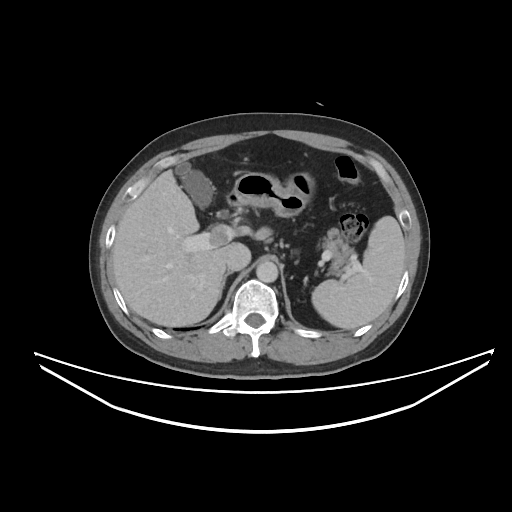

Abdominal CT. axial view. abdomen soft-tissue window. 512x512 px. 40-year-old male patient. acquired on Aquilion ONE
One row per box, in pixels: columns x1 and y1 give the top-left corner, x2 and y2 the bottom-right.
| organ | x1 | y1 | x2 | y2 |
|---|---|---|---|---|
| spleen | 312 | 216 | 405 | 329 |
| gall bladder | 175 | 162 | 213 | 208 |
| liver | 112 | 169 | 229 | 326 |
| stomach | 229 | 172 | 311 | 217 |
| aorta | 256 | 261 | 278 | 282 |
| inferior vena cava | 226 | 243 | 250 | 270 |
| pancreas | 321 | 228 | 354 | 273 |
| right adrenal gland | 219 | 271 | 232 | 299 |
| duodenum | 227 | 195 | 237 | 204 |